Abdominal CT · Axial slice 116/345 · W/L 400/40 HU · 512x512 px
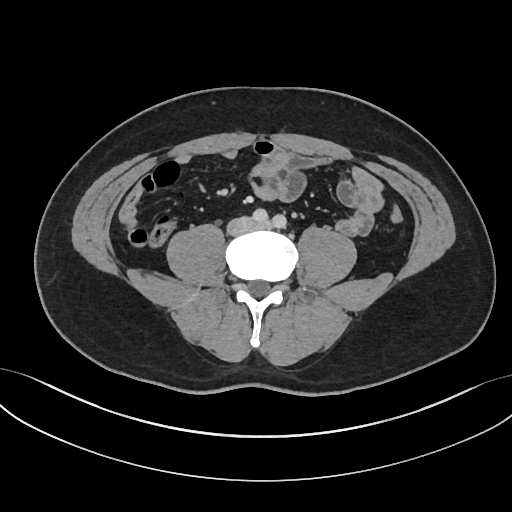

Coordinates as <box>x1,y1,x2,y2</box> in pixels. 1 labeled organ on this slice — inferior vena cava at <box>229,217,253,232</box>.